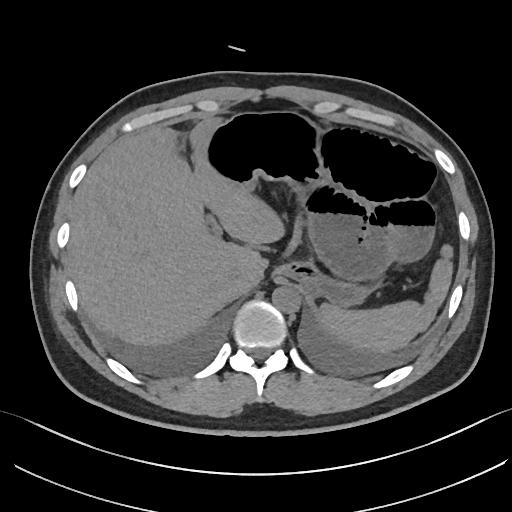 CT abdomen; axial view; W/L 400/40 HU
Organ boxes in pixel coordinates; each row gives the top-left (x1, y1) and bottom-right (x2, y2) corners.
| organ | x1 | y1 | x2 | y2 |
|---|---|---|---|---|
| inferior vena cava | 224 | 269 | 242 | 294 |
| aorta | 272 | 286 | 300 | 312 |
| spleen | 317 | 243 | 454 | 354 |
| stomach | 197 | 113 | 357 | 304 |
| liver | 68 | 119 | 282 | 348 |